Lower-chest slice from an abdominal CT, just above the liver and spleen · axial view · soft-tissue window, W/L 400/40
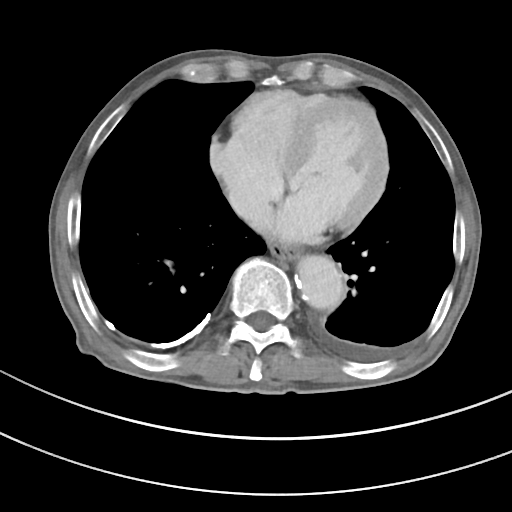

No part of the heart or lungs is labeled in this dataset, so neither has a box here.
<organs><organ name="esophagus" x1="269" y1="243" x2="299" y2="261"/><organ name="aorta" x1="296" y1="255" x2="343" y2="309"/><organ name="inferior vena cava" x1="227" y1="188" x2="273" y2="230"/></organs>